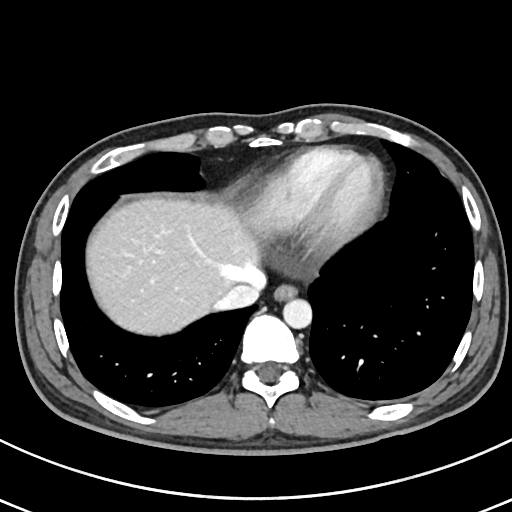
Abdominal CT · axial view · soft-tissue window (W 400 / L 40)
{"organs":{"esophagus":[274,283,297,300],"liver":[86,198,266,335],"aorta":[282,299,311,328],"inferior vena cava":[219,284,260,309]}}